MRI, abdomen — coronal plane, index 40 — percentile-normalized
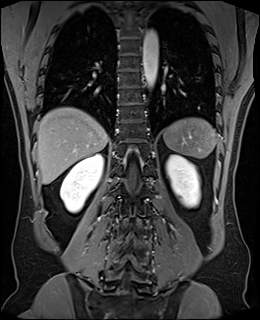
Boxes: x1:y1:x2:y2 in pixels.
right kidney: 60:153:103:212
liver: 37:107:108:184
left kidney: 166:155:200:208
aorta: 143:29:158:88
spleen: 163:118:217:158